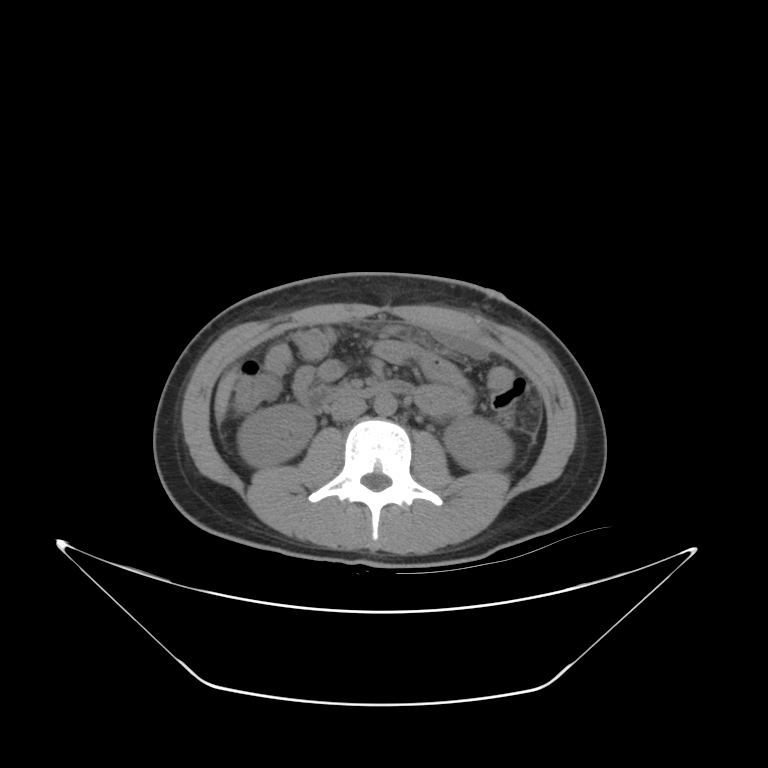

CT abdomen; axial view; soft-tissue window (W 400 / L 40); 16-year-old male patient
<organs><organ name="right kidney" x1="239" y1="408" x2="317" y2="464"/><organ name="left kidney" x1="446" y1="418" x2="515" y2="468"/><organ name="liver" x1="214" y1="368" x2="238" y2="422"/><organ name="aorta" x1="375" y1="394" x2="396" y2="415"/><organ name="inferior vena cava" x1="329" y1="399" x2="367" y2="421"/><organ name="duodenum" x1="299" y1="379" x2="412" y2="410"/></organs>